CT of the abdomen extending into the chest, slice through the chest — axial plane, index 250 — W/L 400/40 HU — 512x512 px
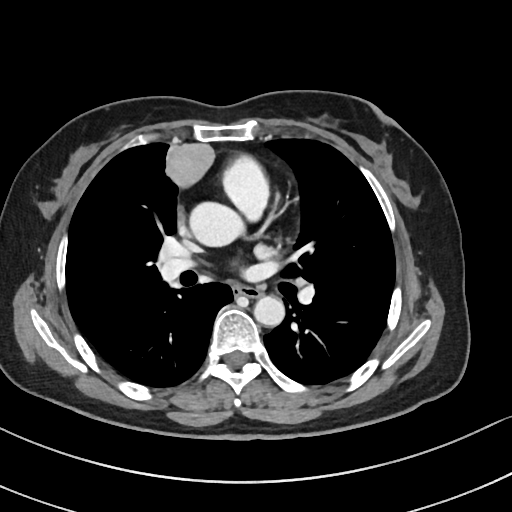 At this level of the chest no structure but the esophagus and the aorta has a label in this dataset, and those two are boxed only where they are labeled. Coordinates as <box>x1,y1,x2,y2</box> in pixels. Labeled organs on this slice: esophagus at <box>234,286,261,297</box>, aorta at <box>190,202,244,246</box>, aorta at <box>253,296,284,326</box>.